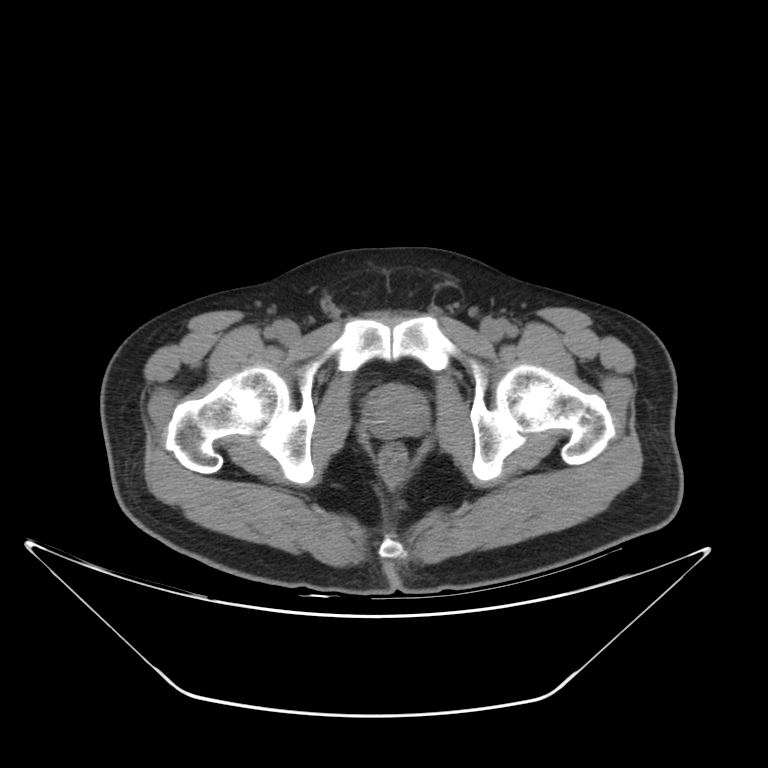
Computed tomography, abdomen; axial view; abdomen soft-tissue window; 40-year-old male patient; scan has 15 labeled organs (counted over the whole 3D scan, not this slice; an organ is boxed only where this slice passes through it)
{"organs":{"prostate/uterus":[365,387,427,438]}}